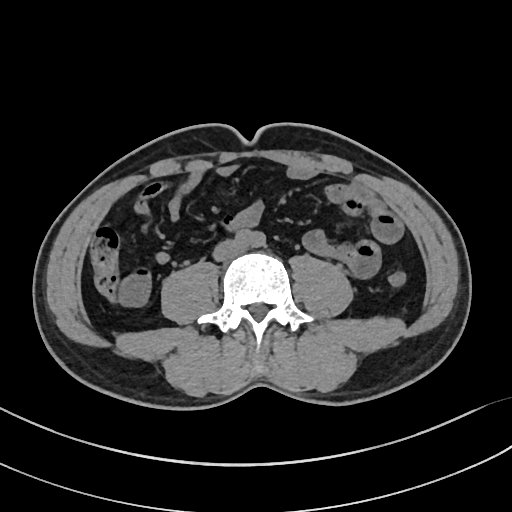

Abdominal CT; Axial slice 109/228; soft-tissue window (W 400 / L 40); 512x512 px
<organs><organ name="aorta" x1="235" y1="230" x2="265" y2="248"/><organ name="inferior vena cava" x1="213" y1="240" x2="243" y2="261"/></organs>